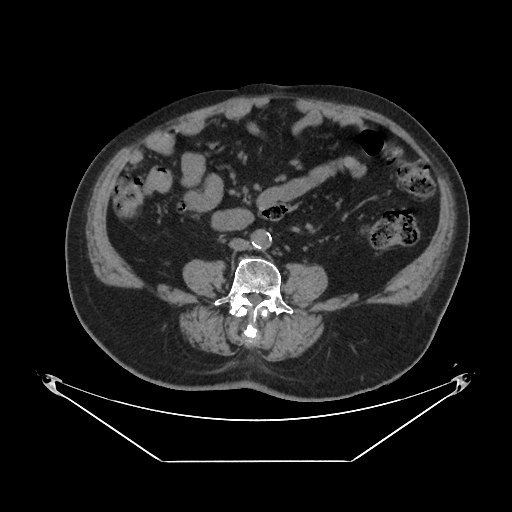
CT abdomen; axial view; SOMATOM Force scanner
<organs><organ name="aorta" x1="250" y1="229" x2="271" y2="248"/><organ name="inferior vena cava" x1="229" y1="238" x2="248" y2="250"/></organs>